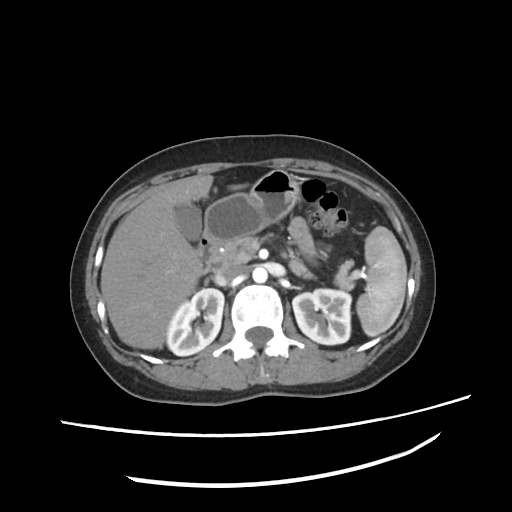
CT, abdomen/pelvis · axial view · 512x512 px · Aquilion ONE scanner · 15 organs annotated in this scan (that count is for the whole scan; organs this slice misses have no box)
Bounding boxes as [x1, y1, x2, y2] in pixel coordinates.
Organ bounding boxes:
- spleen: [356, 227, 407, 337]
- right kidney: [166, 288, 223, 356]
- left kidney: [293, 288, 351, 345]
- gall bladder: [174, 202, 202, 241]
- liver: [99, 175, 211, 348]
- stomach: [203, 169, 300, 244]
- aorta: [252, 267, 267, 283]
- inferior vena cava: [212, 263, 248, 285]
- pancreas: [214, 236, 355, 291]
- duodenum: [194, 235, 219, 272]